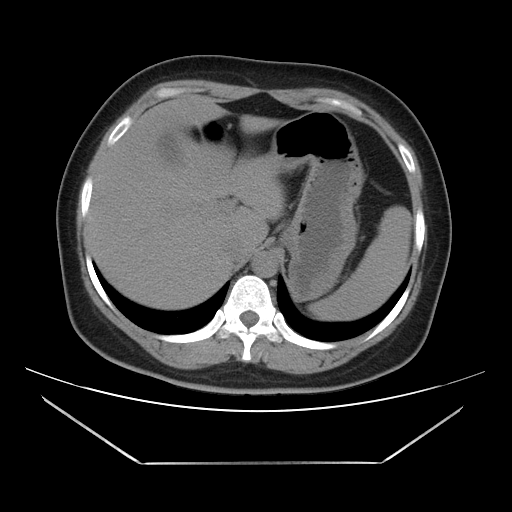 CT abdomen · axial plane, index 77 · 512x512 px · SOMATOM Force scanner
Boxes: x1 y1 x2 y2 (pixel coords, space-separated).
Organ bounding boxes:
- spleen: 308 206 411 320
- aorta: 251 251 278 277
- liver: 86 98 284 309
- inferior vena cava: 223 238 253 261
- gall bladder: 160 134 177 161
- stomach: 264 111 364 300